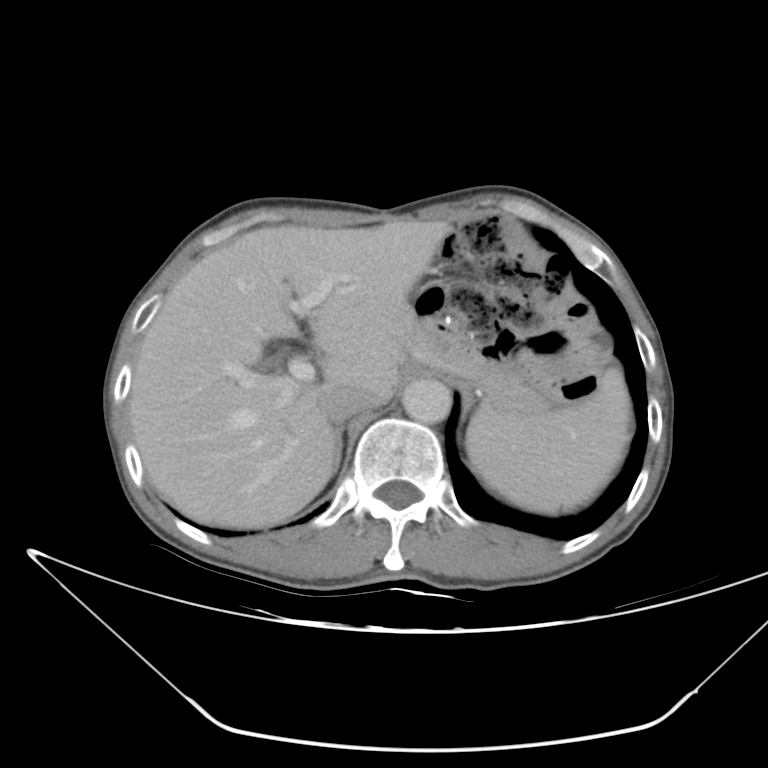

CT, abdomen/pelvis. Axial slice 47/104. W/L 400/40 HU. 62-year-old male patient
<organs><organ name="inferior vena cava" x1="320" y1="385" x2="379" y2="425"/><organ name="spleen" x1="466" y1="370" x2="630" y2="514"/><organ name="pancreas" x1="389" y1="306" x2="557" y2="411"/><organ name="right adrenal gland" x1="336" y1="426" x2="344" y2="467"/><organ name="liver" x1="129" y1="217" x2="465" y2="526"/><organ name="aorta" x1="404" y1="379" x2="450" y2="422"/><organ name="stomach" x1="442" y1="371" x2="487" y2="399"/></organs>